CT abdomen · Axial slice 115/204 · 512x512 px
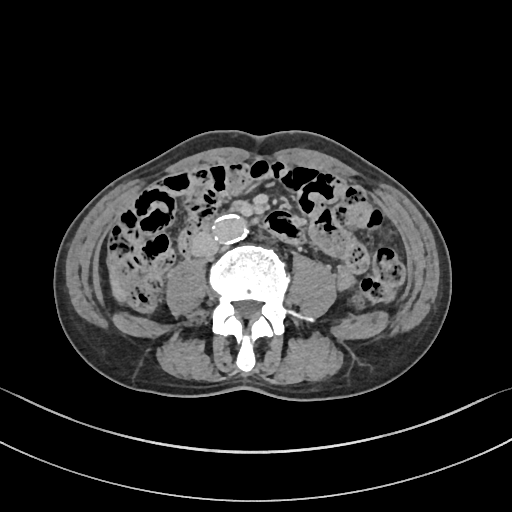

<organs><organ name="liver" x1="109" y1="253" x2="129" y2="301"/><organ name="aorta" x1="211" y1="215" x2="245" y2="244"/><organ name="inferior vena cava" x1="190" y1="235" x2="217" y2="257"/></organs>